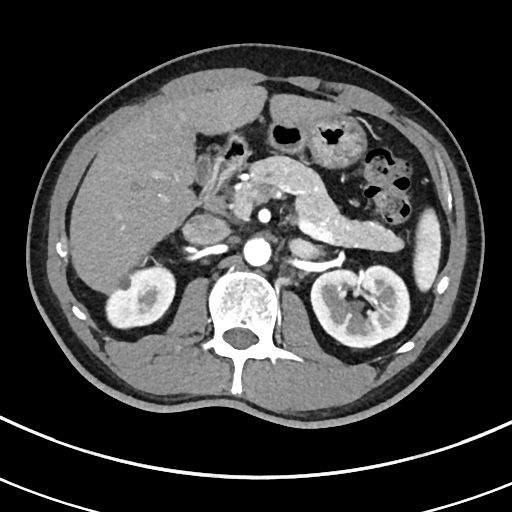 CT, abdomen/pelvis; axial plane, index 141
{"organs":{"spleen":[413,209,441,291],"right kidney":[105,264,174,328],"left kidney":[311,265,409,347],"gall bladder":[196,155,211,182],"liver":[69,84,346,292],"stomach":[229,115,365,167],"aorta":[243,237,271,265],"inferior vena cava":[183,214,229,245],"pancreas":[231,156,402,251],"duodenum":[197,135,247,205]}}